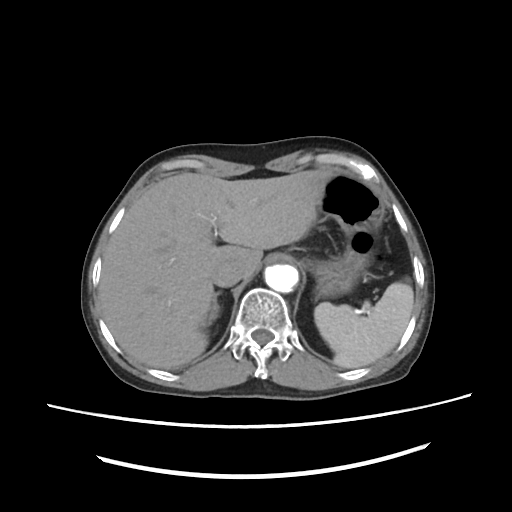
Abdominal CT. axial view. soft-tissue window. 512x512 px
Boxes are (x1, y1, x2, y2) in pixels.
spleen: (314, 282, 413, 368)
liver: (99, 170, 333, 368)
stomach: (308, 173, 383, 299)
aorta: (266, 265, 298, 291)
inferior vena cava: (212, 263, 240, 287)
right adrenal gland: (206, 292, 221, 327)